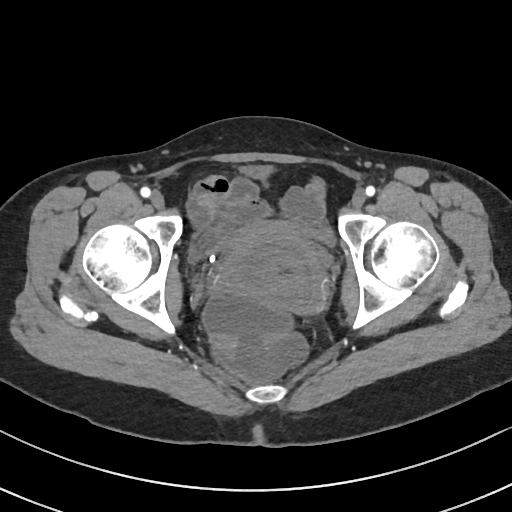

CT, abdomen/pelvis · axial view · 512x512 px · acquired on SOMATOM Force
One row per box, in pixels: columns x1 and y1 give the top-left corner, x2 and y2 the bottom-right.
| organ | x1 | y1 | x2 | y2 |
|---|---|---|---|---|
| bladder | 306 | 228 | 336 | 247 |
| prostate/uterus | 216 | 226 | 331 | 311 |